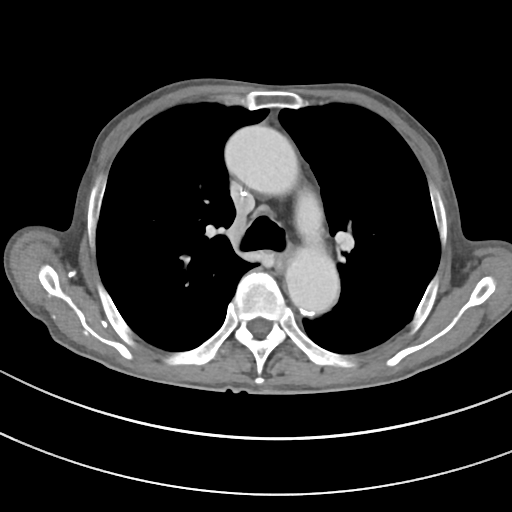
CT of the abdomen extending into the chest, slice through the chest; Axial slice 99/122; soft-tissue window; scan has 15 labeled organs (a whole-scan count: organs this slice does not pass through have no box)
On a slice this high in the chest, this dataset labels only the esophagus and the aorta, and each is boxed only where it is labeled; the heart, lungs and other chest structures are not labeled.
Boxes: x1:y1:x2:y2 in pixels.
esophagus: 276:251:290:272
aorta: 224:125:298:194
aorta: 285:245:339:315